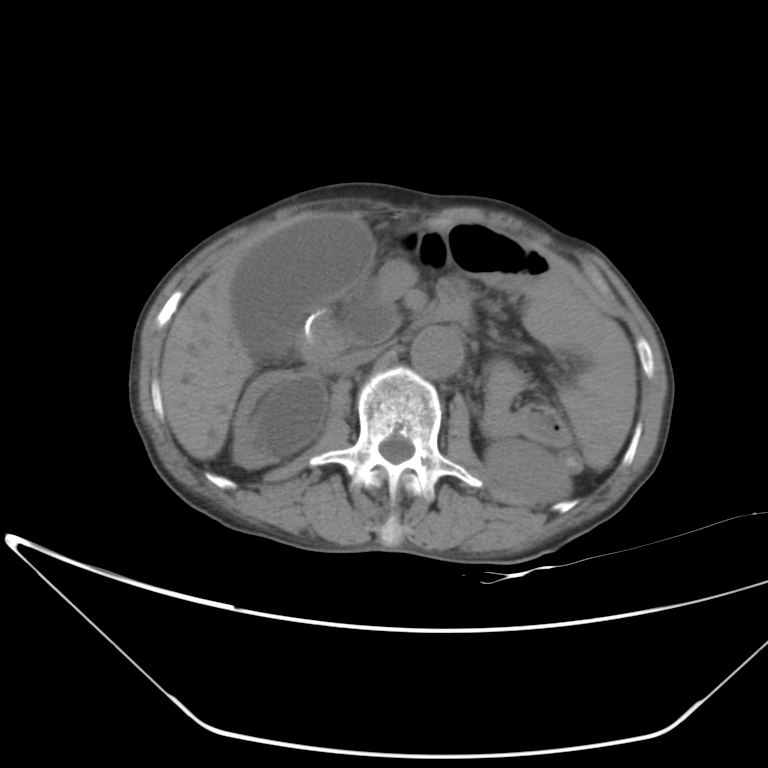 Computed tomography, abdomen. axial view. soft-tissue window (W 400 / L 40). 768x768 px. 66-year-old male patient. 15 organs annotated in this scan (a whole-scan count: organs this slice does not pass through have no box)
Each box given as x1,y1,x2,y2. The annotated organs in this slice are: duodenum at x1=300, y1=319, x2=345, y2=365, left kidney at x1=484, y1=438, x2=572, y2=501, gall bladder at x1=231, y1=214, x2=375, y2=355, aorta at x1=411, y1=326, x2=463, y2=377, liver at x1=161, y1=266, x2=254, y2=459, right kidney at x1=232, y1=370, x2=327, y2=468, inferior vena cava at x1=330, y1=346, x2=382, y2=374.